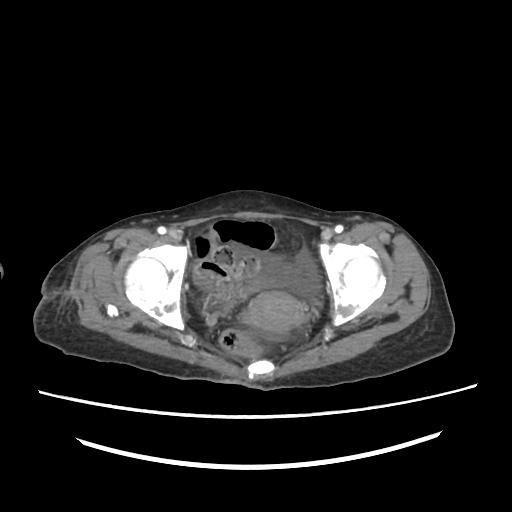
Computed tomography, abdomen. axial view
Boxes are (x1, y1, x2, y2) in pixels.
Organ bounding boxes:
- prostate/uterus: (245, 291, 304, 332)